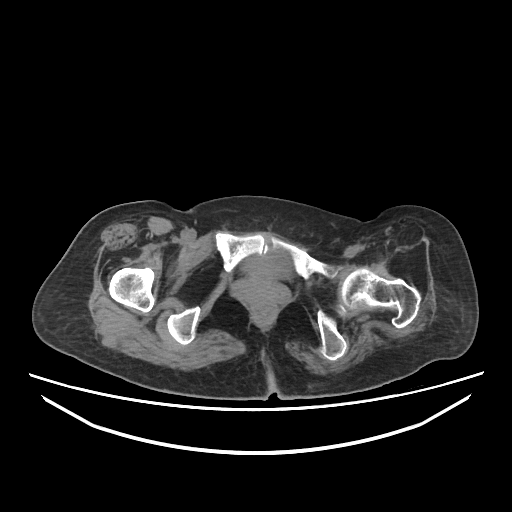

Computed tomography, abdomen. axial view. 512x512 px
Box edges are left/top/right/bottom in pixels.
Organ bounding boxes:
- bladder: left=244, top=255, right=289, bottom=278